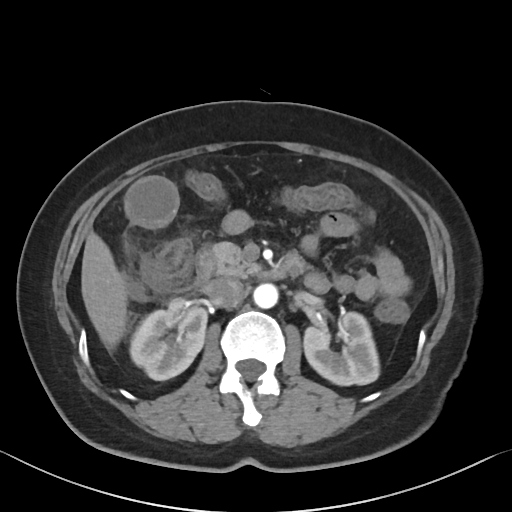

Computed tomography, abdomen · Axial slice 55/88 · 15 organs annotated in this scan (that count is for the whole scan; organs this slice misses have no box)
<organs><organ name="pancreas" x1="207" y1="242" x2="260" y2="276"/><organ name="gall bladder" x1="126" y1="175" x2="179" y2="229"/><organ name="right kidney" x1="129" y1="307" x2="207" y2="380"/><organ name="duodenum" x1="194" y1="248" x2="305" y2="286"/><organ name="aorta" x1="253" y1="283" x2="278" y2="308"/><organ name="inferior vena cava" x1="205" y1="277" x2="245" y2="307"/><organ name="liver" x1="81" y1="231" x2="127" y2="349"/><organ name="left kidney" x1="303" y1="312" x2="379" y2="385"/></organs>